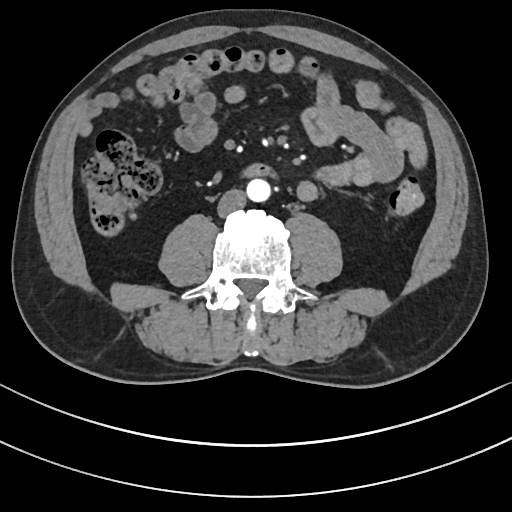

CT, abdomen/pelvis. axial view. acquired on SOMATOM Force
{"organs":{"aorta":[246,179,270,202],"inferior vena cava":[217,189,245,217],"duodenum":[242,163,272,178]}}